CT, abdomen/pelvis; axial plane, index 25; abdomen soft-tissue window; scan has 15 labeled organs (that count is for the whole scan; organs this slice misses have no box)
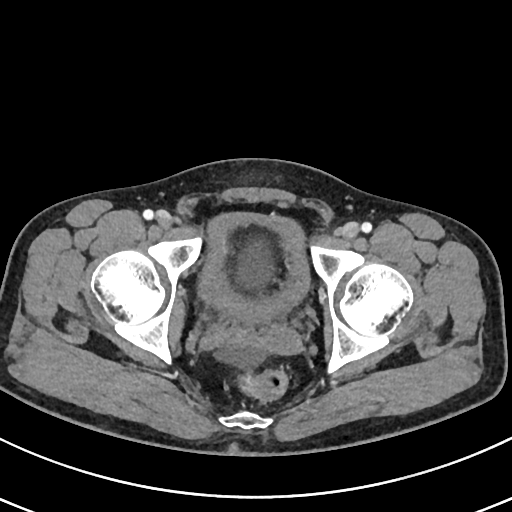
{"organs":{"bladder":[197,212,310,322]}}